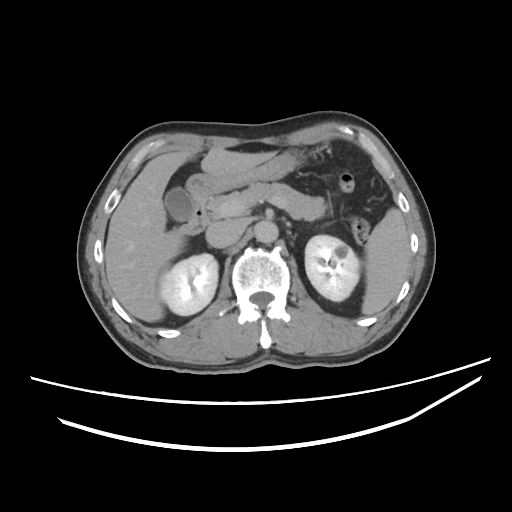 CT abdomen. axial view. abdomen soft-tissue window. 512x512 px. 15 organs annotated in this scan (that count is for the whole scan; organs this slice misses have no box)
Organ boxes in pixel coordinates; each row gives the top-left (x1, y1) and bottom-right (x2, y2) corners.
| organ | x1 | y1 | x2 | y2 |
|---|---|---|---|---|
| stomach | 186 | 147 | 311 | 194 |
| right kidney | 157 | 254 | 218 | 315 |
| aorta | 253 | 220 | 279 | 242 |
| gall bladder | 163 | 186 | 194 | 220 |
| duodenum | 180 | 193 | 211 | 235 |
| left kidney | 305 | 236 | 359 | 300 |
| spleen | 361 | 207 | 409 | 316 |
| inferior vena cava | 205 | 220 | 243 | 247 |
| liver | 104 | 150 | 275 | 322 |
| pancreas | 208 | 179 | 323 | 219 |